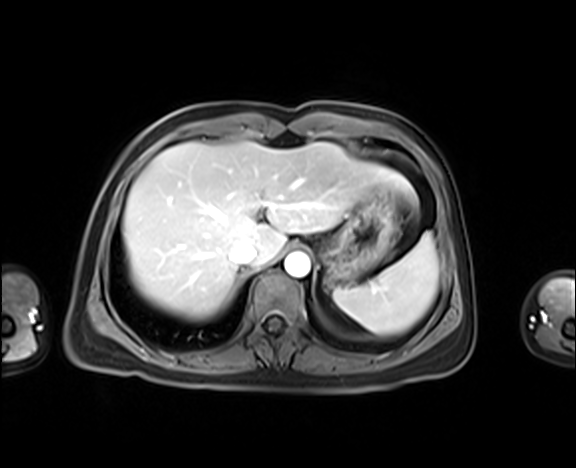 MRI, abdomen — Axial slice 55/72 — 576x468 px
<organs><organ name="aorta" x1="284" y1="253" x2="310" y2="276"/><organ name="liver" x1="122" y1="142" x2="417" y2="320"/><organ name="inferior vena cava" x1="230" y1="243" x2="256" y2="265"/><organ name="spleen" x1="333" y1="232" x2="438" y2="335"/><organ name="stomach" x1="322" y1="184" x2="400" y2="283"/></organs>